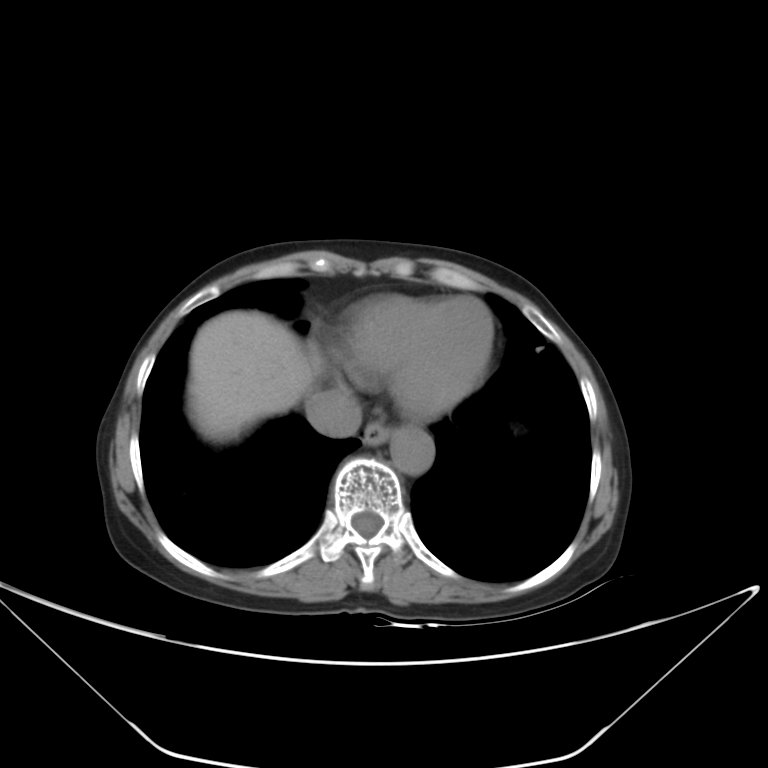
CT, abdomen/pelvis. axial view. soft-tissue window. acquired on Brilliance16
<organs><organ name="esophagus" x1="363" y1="421" x2="390" y2="445"/><organ name="liver" x1="188" y1="310" x2="317" y2="439"/><organ name="aorta" x1="389" y1="427" x2="433" y2="474"/><organ name="inferior vena cava" x1="305" y1="388" x2="362" y2="436"/></organs>